CT, abdomen/pelvis; axial plane, index 21; W/L 400/40 HU; 768x768 px
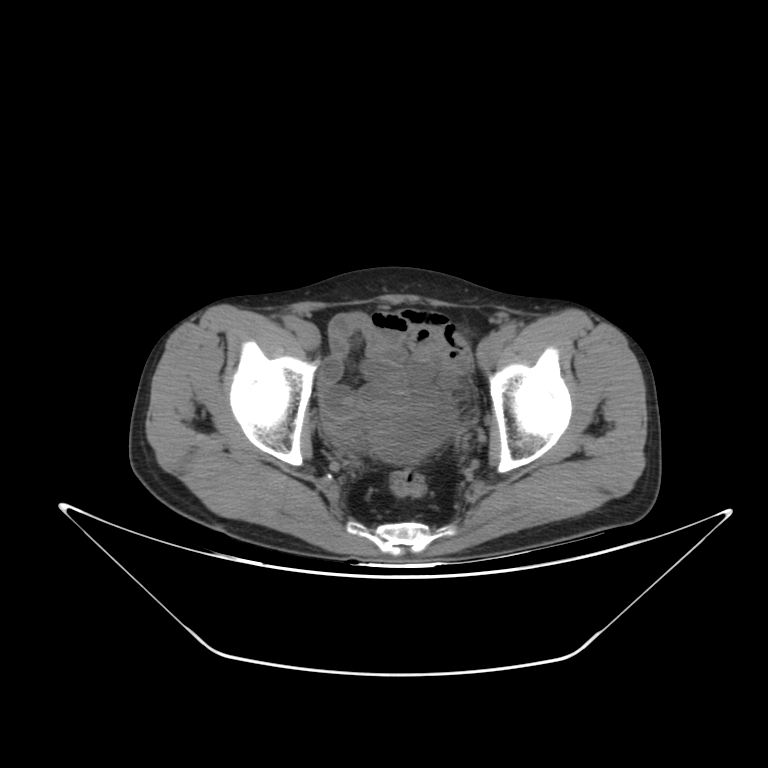
{"organs":{"bladder":[379,405,454,461]}}